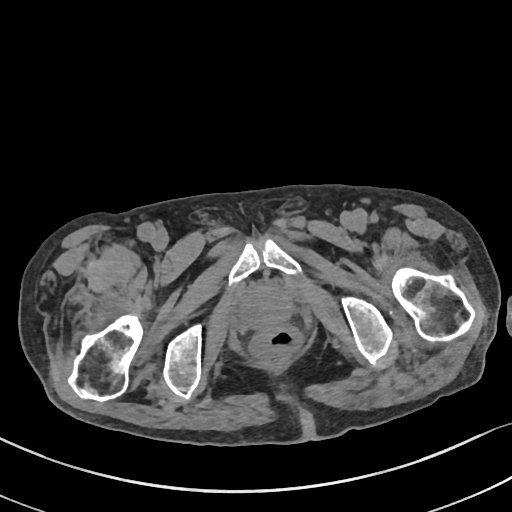

Abdominal CT · axial view · 512x512 px
Box edges are left/top/right/bottom in pixels. Labeled organs on this slice: prostate/uterus at left=238, top=280, right=293, bottom=329.